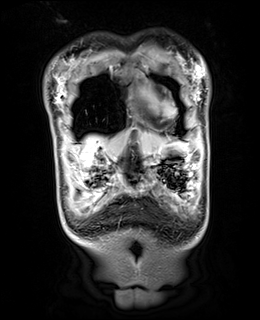
MRI, abdomen. Coronal slice 112/144. 1st–99th percentile window. acquired on Prisma
Boxes: x1 y1 x2 y2 (pixel coords, space-separated).
liver: 85 132 164 157
stomach: 147 142 192 165